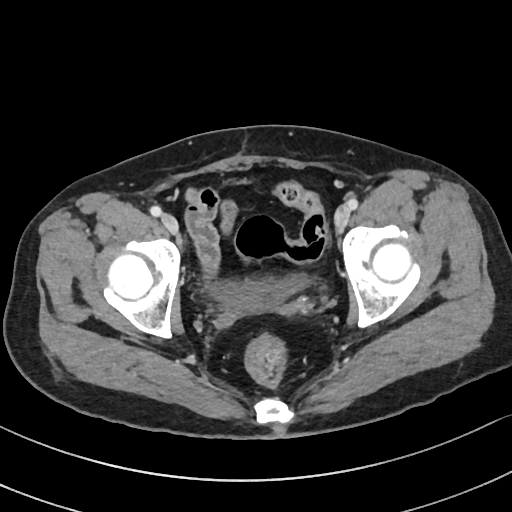 CT, abdomen/pelvis — axial view — 512x512 px
Boxes are (x1, y1, x2, y2) in pixels.
bladder: (209, 279, 307, 309)